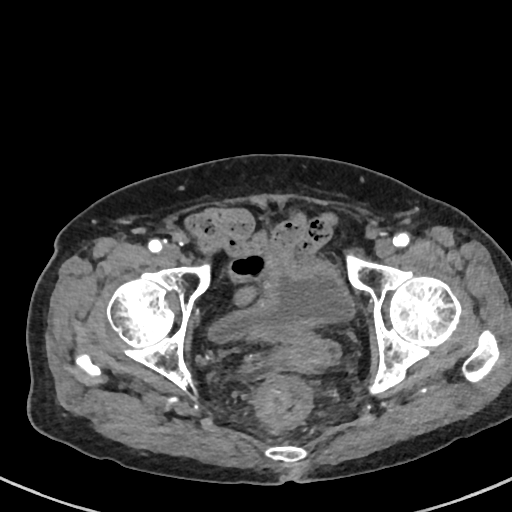

Abdominal CT. axial plane, index 32. scan has 15 labeled organs (counted over the whole 3D scan, not this slice; an organ is boxed only where this slice passes through it)
Organ boxes in pixel coordinates; each row gives the top-left (x1, y1) and bottom-right (x2, y2) corners.
| organ | x1 | y1 | x2 | y2 |
|---|---|---|---|---|
| bladder | 209 | 262 | 356 | 343 |
| prostate/uterus | 273 | 330 | 328 | 373 |